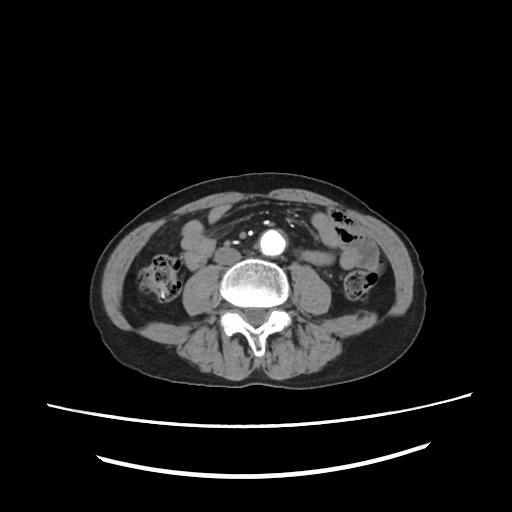
Computed tomography, abdomen; axial view; W/L 400/40 HU; scan has 15 labeled organs (that count is for the whole scan; organs this slice misses have no box)
Boxes: x1:y1:x2:y2 in pixels. 3 labeled organs on this slice — aorta at 260:229:284:254; inferior vena cava at 214:248:240:264; duodenum at 188:252:208:272.